Abdominal CT · Axial slice 181/303 · soft-tissue window · 512x512 px · SOMATOM Force scanner · scan has 15 labeled organs (counted over the whole 3D scan, not this slice; an organ is boxed only where this slice passes through it)
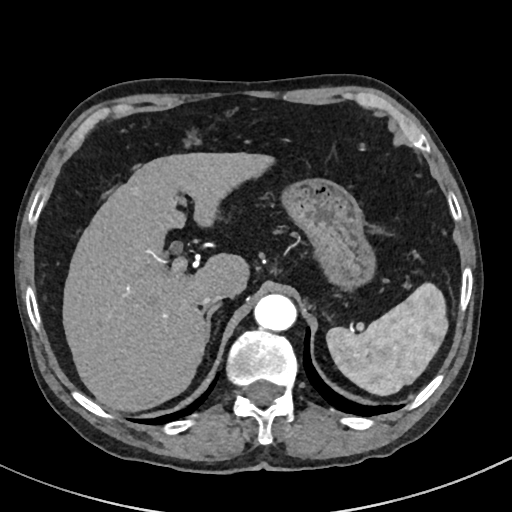 <organs><organ name="spleen" x1="326" y1="281" x2="446" y2="394"/><organ name="liver" x1="62" y1="152" x2="271" y2="413"/><organ name="stomach" x1="284" y1="180" x2="373" y2="284"/><organ name="aorta" x1="252" y1="294" x2="295" y2="331"/><organ name="inferior vena cava" x1="200" y1="285" x2="233" y2="307"/><organ name="right adrenal gland" x1="205" y1="305" x2="218" y2="342"/></organs>